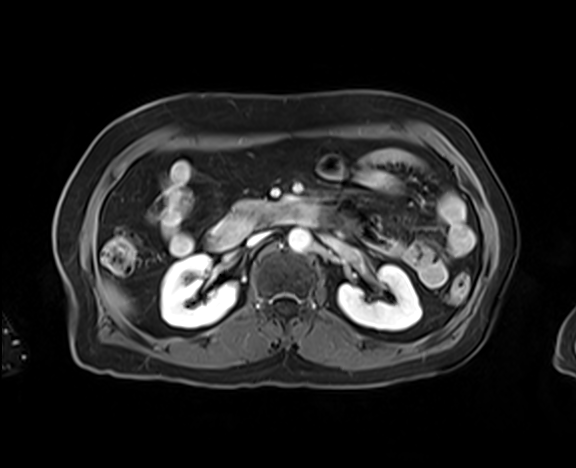
Magnetic resonance imaging, abdomen; axial view; 576x468 px
Boxes: x1:y1:x2:y2 in pixels. The annotated organs in this slice are: left kidney at 338:265:421:330, liver at 103:284:128:314, aorta at 288:229:311:252, inferior vena cava at 247:231:269:246, pancreas at 227:200:274:216, duodenum at 206:202:319:250, right kidney at 161:254:237:327.